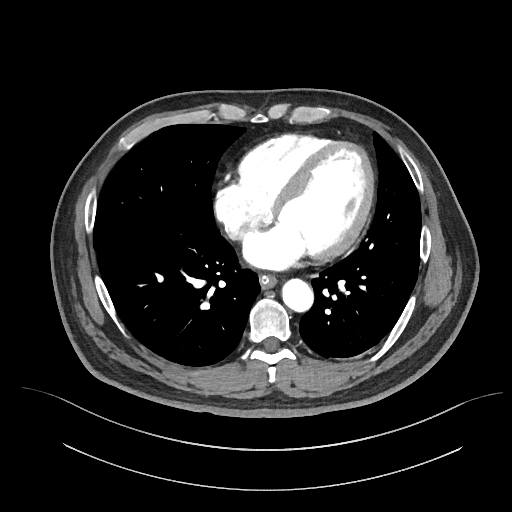 Lower-chest slice from an abdominal CT, just above the liver and spleen; Axial slice 238/333; 512x512 px
Of the structures in the chest, this dataset labels only the esophagus, the aorta and the inferior vena cava; the heart and lungs have no label. Coordinates as <box>x1,y1,x2,y2</box> in pixels. 3 labeled organs on this slice — esophagus at <box>259,274,276,287</box>; aorta at <box>282,278,313,310</box>; inferior vena cava at <box>229,227,245,239</box>.